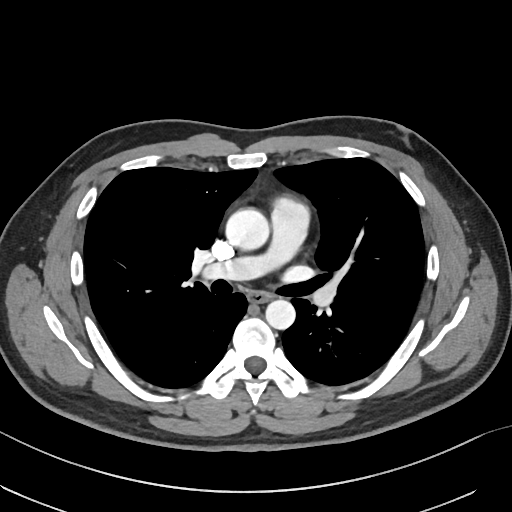
Abdominal CT reaching into the chest; this slice is in the chest · axial view · soft-tissue window, W/L 400/40 · 512x512 px
On a slice this high in the chest, this dataset labels only the esophagus and the aorta, and each is boxed only where it is labeled; the heart, lungs and other chest structures are not labeled.
<organs><organ name="esophagus" x1="248" y1="291" x2="271" y2="303"/><organ name="aorta" x1="225" y1="208" x2="269" y2="250"/><organ name="aorta" x1="265" y1="299" x2="295" y2="329"/></organs>